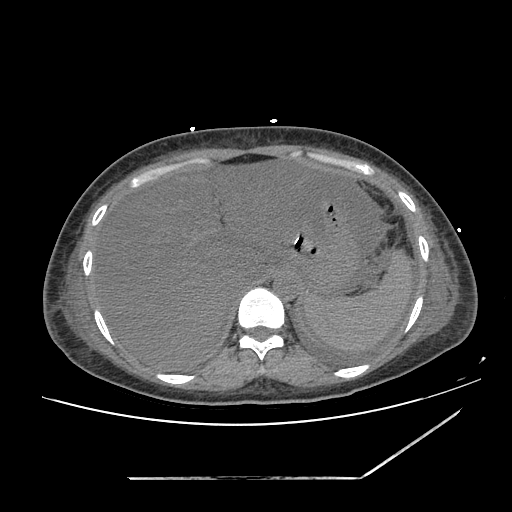 CT, abdomen/pelvis; axial plane, index 147; abdomen soft-tissue window; SOMATOM Force scanner; 15 organs annotated in this scan (counted over the whole 3D scan, not this slice; an organ is boxed only where this slice passes through it)
Each box given as x1,y1,x2,y2.
Organ bounding boxes:
- spleen: x1=305, y1=250, x2=410, y2=350
- liver: x1=94, y1=159, x2=324, y2=370
- stomach: x1=283, y1=198, x2=358, y2=290
- aorta: x1=273, y1=272, x2=300, y2=300
- inferior vena cava: x1=227, y1=272, x2=254, y2=299